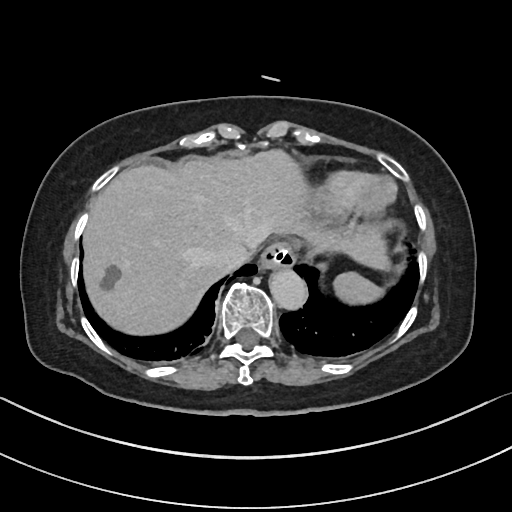

Computed tomography, abdomen · Axial slice 187/212 · soft-tissue window · 512x512 px · scan has 15 labeled organs (counted over the whole 3D scan, not this slice; an organ is boxed only where this slice passes through it)
{"organs":{"inferior vena cava":[213,242,248,271],"esophagus":[262,242,294,267],"aorta":[268,266,304,308],"stomach":[317,261,326,270],"liver":[82,148,391,335],"spleen":[331,271,385,304]}}